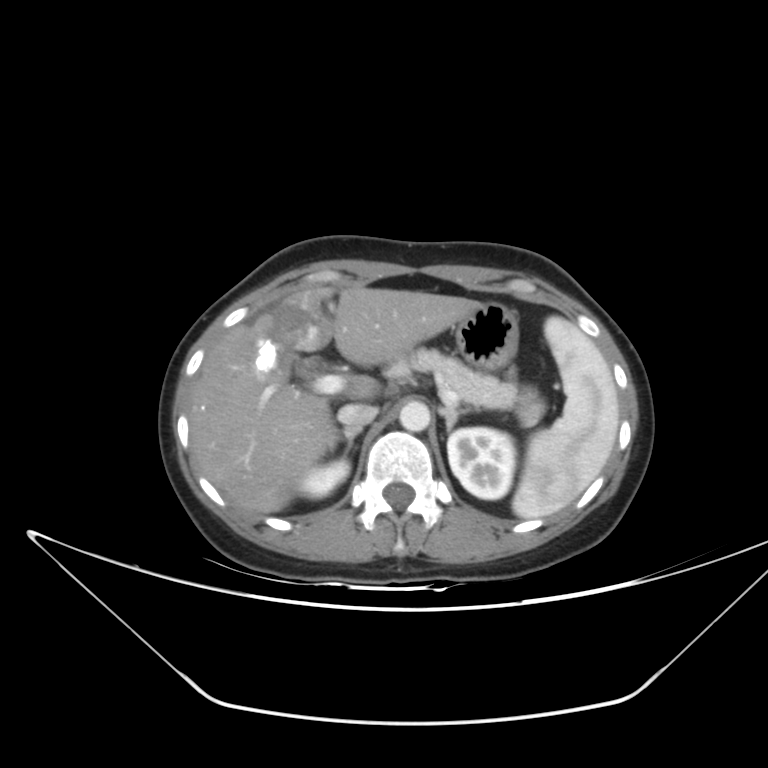
CT, abdomen/pelvis — Axial slice 21/72 — abdomen soft-tissue window — 768x768 px — 34-year-old female patient
Each box given as x1,y1,x2,y2.
Organ bounding boxes:
- spleen: x1=512, y1=316, x2=619, y2=519
- right kidney: x1=299, y1=460, x2=349, y2=498
- left kidney: x1=447, y1=427, x2=515, y2=499
- liver: x1=189, y1=286, x2=478, y2=513
- stomach: x1=454, y1=302, x2=518, y2=370
- aorta: x1=399, y1=401, x2=430, y2=432
- inferior vena cava: x1=337, y1=403, x2=378, y2=428
- pancreas: x1=392, y1=348, x2=543, y2=425
- right adrenal gland: x1=324, y1=428, x2=361, y2=453
- left adrenal gland: x1=439, y1=406, x2=477, y2=431